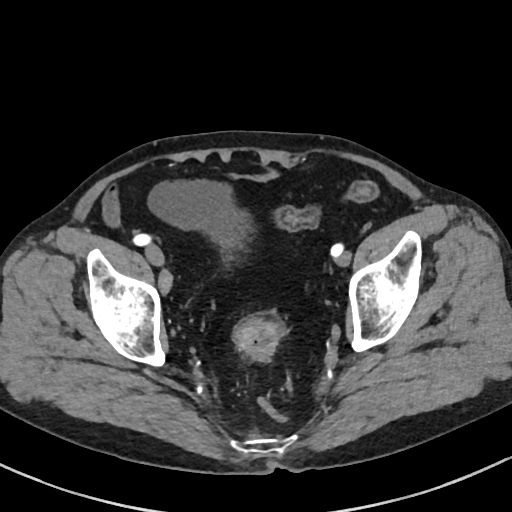
CT, abdomen/pelvis; axial plane, index 50; W/L 400/40 HU; SOMATOM Force scanner
Bounding boxes as [x1, y1, x2, y2] in pixel coordinates.
bladder: [150, 180, 246, 248]